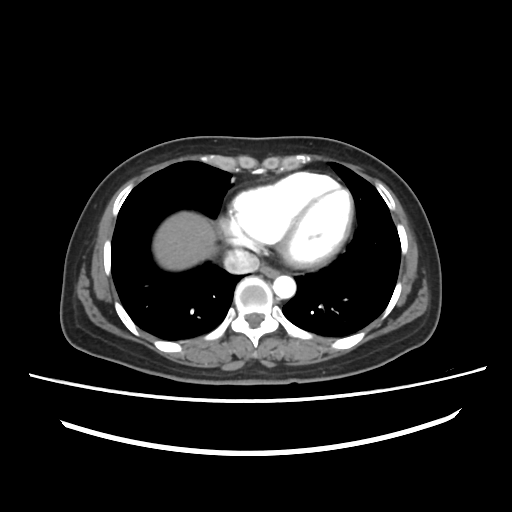 Computed tomography, abdomen; axial plane, index 87; soft-tissue window (W 400 / L 40)
Boxes: x1:y1:x2:y2 in pixels.
esophagus: 261:264:279:277
liver: 153:211:217:270
aorta: 273:275:296:298
inferior vena cava: 223:249:260:274